Magnetic resonance imaging, abdomen — Coronal slice 112/144 — 1st–99th percentile window — 260x320 px
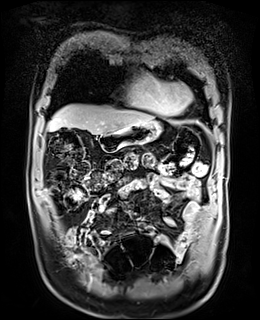 Boxes are (x1, y1, x2, y2) in pixels.
stomach: (98, 120, 161, 152)
liver: (48, 104, 154, 134)